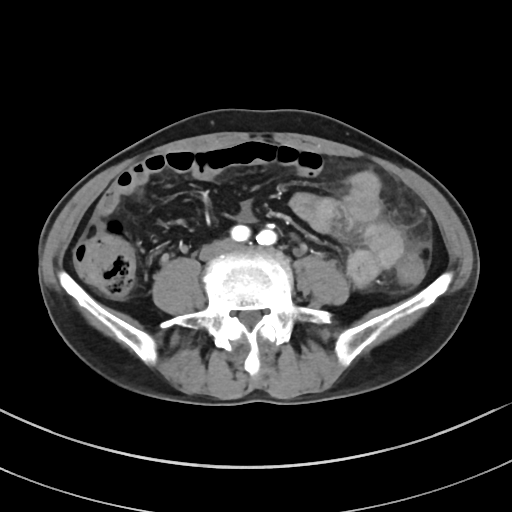
Computed tomography, abdomen · axial plane, index 39 · scan has 15 labeled organs (counted over the whole 3D scan, not this slice; an organ is boxed only where this slice passes through it)
<organs><organ name="inferior vena cava" x1="200" y1="241" x2="230" y2="258"/></organs>